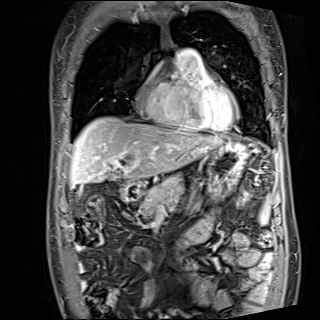 Magnetic resonance imaging, abdomen · Coronal slice 45/60 · 320x320 px · Prisma scanner
{"organs":{"spleen":[260,202,269,223],"liver":[71,117,222,185],"stomach":[207,139,248,198],"pancreas":[140,175,184,216],"duodenum":[121,185,140,201]}}